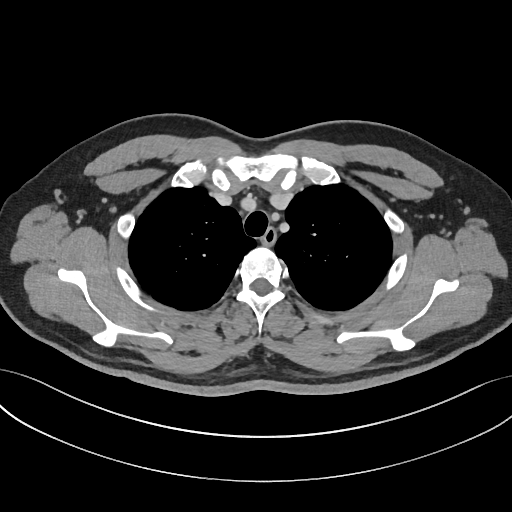 CT of the abdomen extending into the chest, slice through the chest · axial view · W/L 400/40 HU
At this level of the chest this dataset labels only the esophagus and the aorta, and each is boxed only where it is labeled; the heart and lungs are never labeled. Box edges are left/top/right/bottom in pixels. Labeled organs on this slice: esophagus at left=261, top=229, right=276, bottom=245.